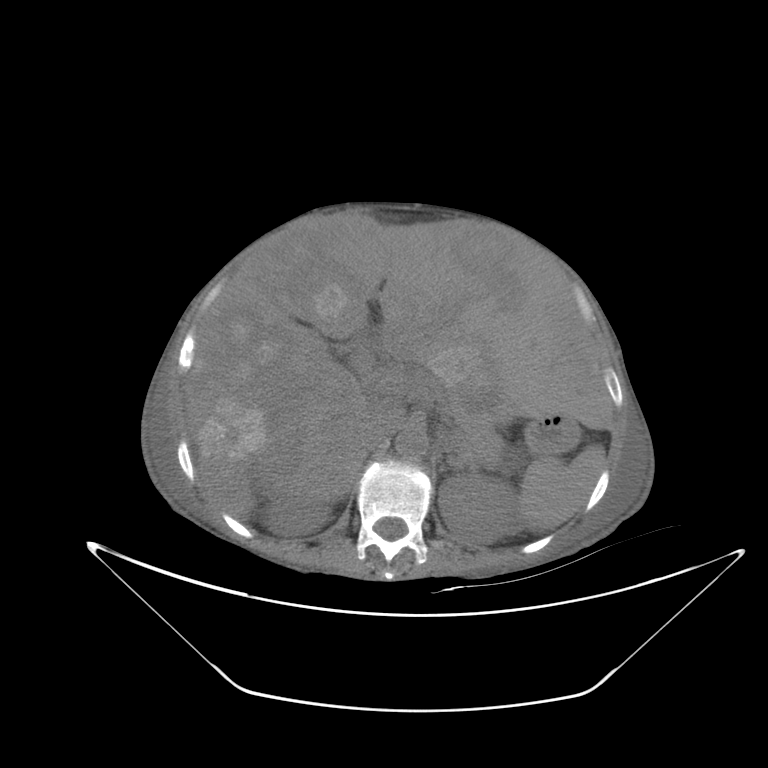

CT, abdomen/pelvis — axial view — 768x768 px — 56-year-old male patient — 15 organs annotated in this scan (counted over the whole 3D scan, not this slice; an organ is boxed only where this slice passes through it)
{"organs":{"spleen":[519,446,602,531],"right kidney":[264,494,330,532],"left kidney":[438,476,514,542],"liver":[184,216,611,519],"stomach":[529,416,579,453],"aorta":[395,428,428,458],"inferior vena cava":[363,410,403,449],"pancreas":[464,426,503,464],"left adrenal gland":[448,454,465,470]}}